Computed tomography, abdomen — Axial slice 199/212 — soft-tissue window — 512x512 px — scan has 15 labeled organs (a whole-scan count: organs this slice does not pass through have no box)
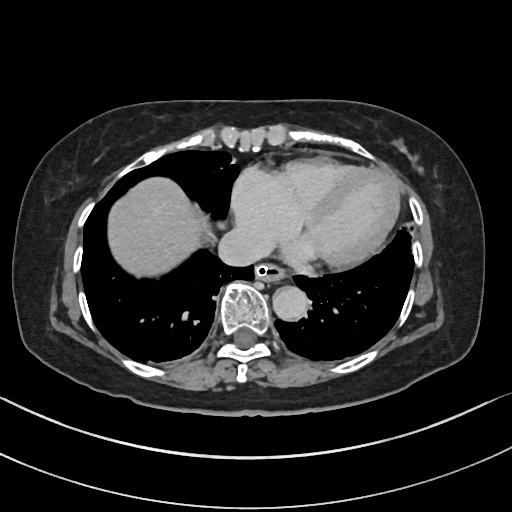
Coordinates as <box>x1,y1,x2,y2</box> in pixels.
Organ bounding boxes:
- aorta: <box>272,286,308,320</box>
- inferior vena cava: <box>218,228,268,265</box>
- liver: <box>108,177,208,276</box>
- esophagus: <box>255,263,285,282</box>